Computed tomography, abdomen — axial plane, index 56 — W/L 400/40 HU — 512x512 px — 15 organs annotated in this scan (that count is for the whole scan; organs this slice misses have no box)
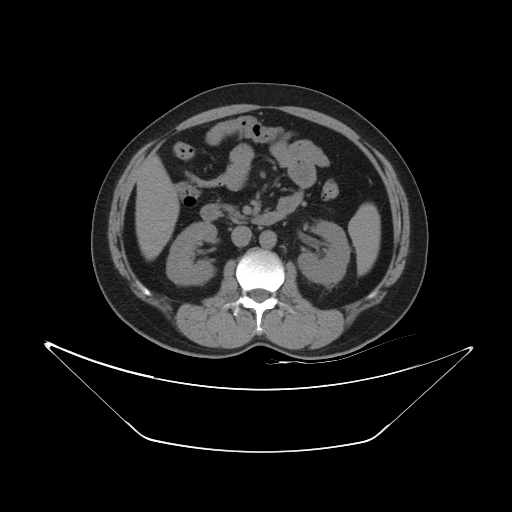

Box edges are left/top/right/bottom in pixels. The annotated organs in this slice are: spleen at left=348, top=203, right=380, bottom=275, pancreas at left=223, top=204, right=244, bottom=221, left kidney at left=298, top=221, right=349, bottom=284, right kidney at left=166, top=222, right=216, bottom=284, aorta at left=259, top=230, right=275, bottom=248, duodenum at left=200, top=204, right=284, bottom=225, liver at left=135, top=154, right=179, bottom=259, inferior vena cava at left=231, top=226, right=251, bottom=246.